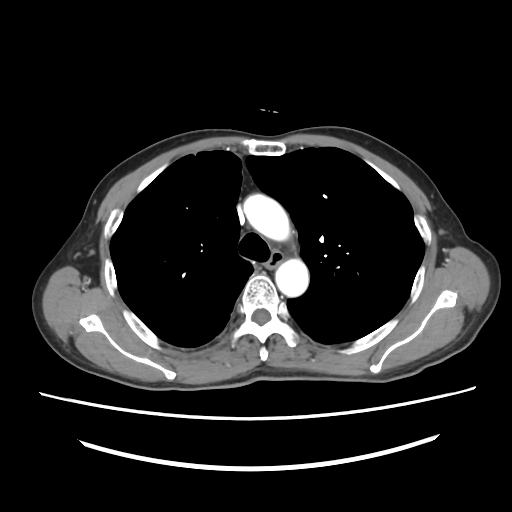
Chest-level slice from an abdominal CT that extends up into the chest; Axial slice 111/134; soft-tissue window (W 400 / L 40)
On a slice this high in the chest, this dataset labels only the esophagus and the aorta, and each is boxed only where it is labeled; the heart, lungs and other chest structures are not labeled.
<organs><organ name="esophagus" x1="268" y1="252" x2="283" y2="271"/><organ name="aorta" x1="243" y1="194" x2="290" y2="241"/><organ name="aorta" x1="275" y1="259" x2="308" y2="296"/></organs>